Abdominal CT. axial view
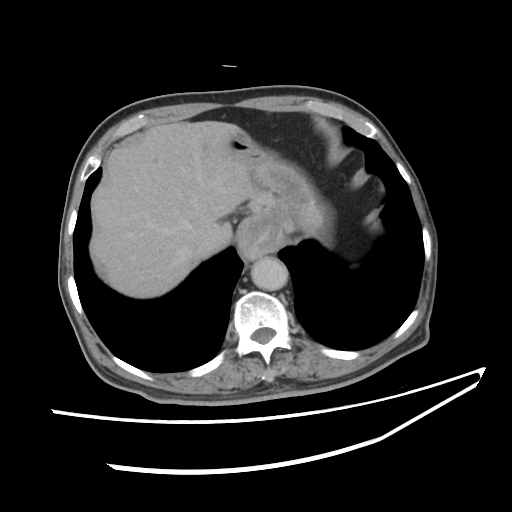

<organs><organ name="stomach" x1="224" y1="129" x2="327" y2="260"/><organ name="aorta" x1="251" y1="257" x2="288" y2="291"/><organ name="liver" x1="90" y1="121" x2="250" y2="299"/><organ name="inferior vena cava" x1="195" y1="234" x2="204" y2="251"/></organs>